Abdominal CT · axial plane, index 15 · 32-year-old female patient
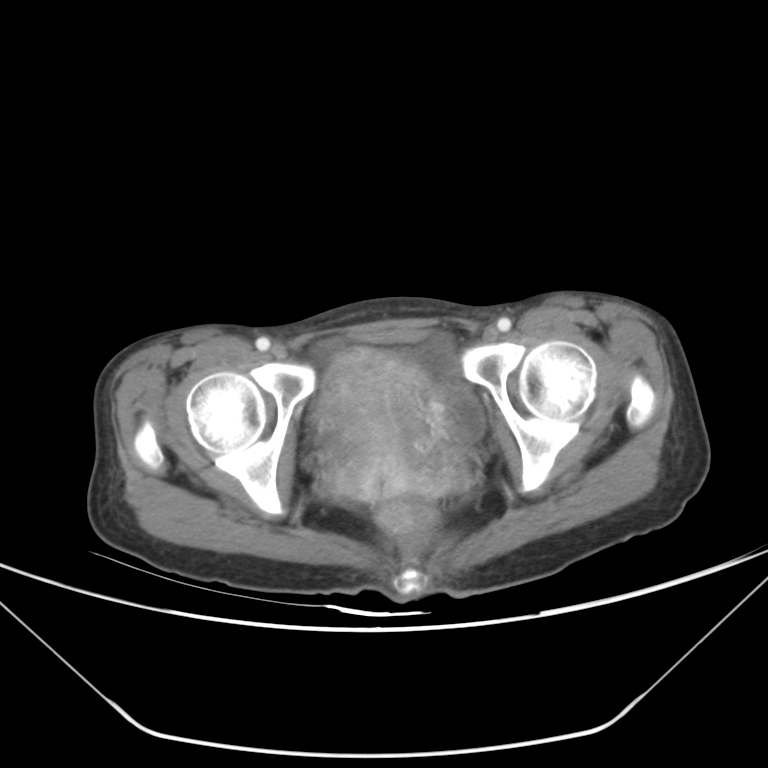 Box edges are left/top/right/bottom in pixels. 2 labeled organs on this slice — bladder at left=446, top=380, right=485, bottom=440; prostate/uterus at left=317, top=350, right=456, bottom=500.